Lower-chest slice from an abdominal CT, just above the liver and spleen — axial view — soft-tissue window, W/L 400/40 — 512x512 px — 15 organs annotated in this scan (counted over the whole 3D scan, not this slice; an organ is boxed only where this slice passes through it)
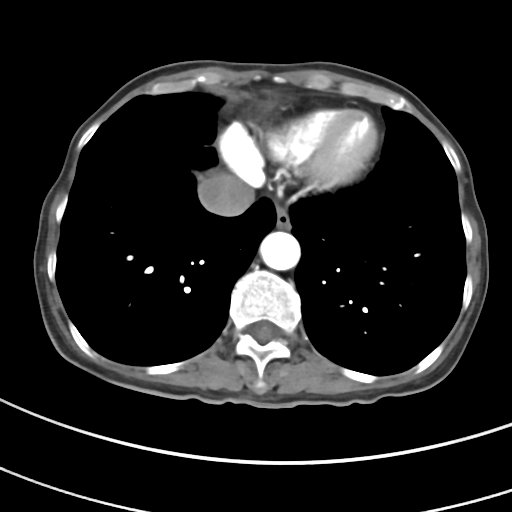 The heart and lungs are never labeled in this dataset, so they have no box on this slice.
Bounding boxes as [x1, y1, x2, y2] in pixel coordinates.
esophagus: [276, 206, 290, 228]
aorta: [260, 231, 300, 270]
inferior vena cava: [197, 173, 253, 216]